Computed tomography, abdomen; axial view; soft-tissue window
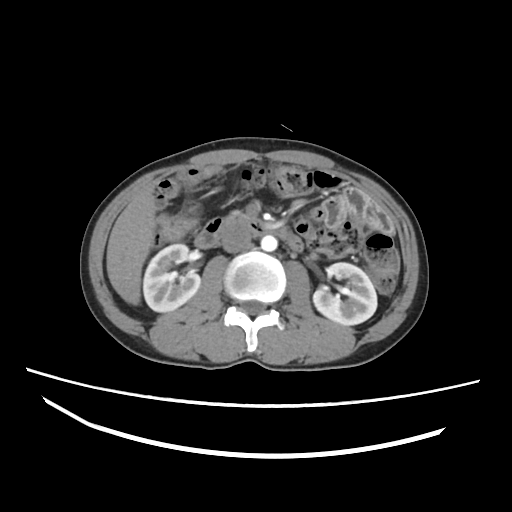
{"organs":{"right kidney":[143,244,200,312],"left kidney":[313,262,377,325],"liver":[106,187,155,304],"aorta":[261,235,277,251],"inferior vena cava":[221,226,251,252],"duodenum":[195,214,303,250]}}